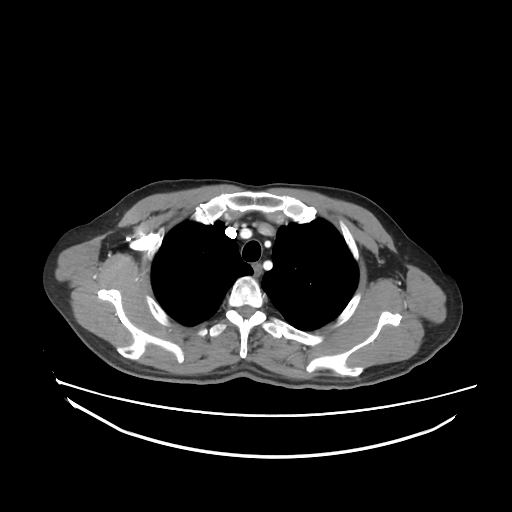
CT of the abdomen extending into the chest, slice through the chest — axial view — soft-tissue window, W/L 400/40
At this level of the chest this dataset labels only the esophagus and the aorta, and each is boxed only where it is labeled; the heart and lungs are never labeled.
Each box given as x1,y1,x2,y2.
Organ bounding boxes:
- esophagus: x1=252, y1=262, x2=260, y2=274